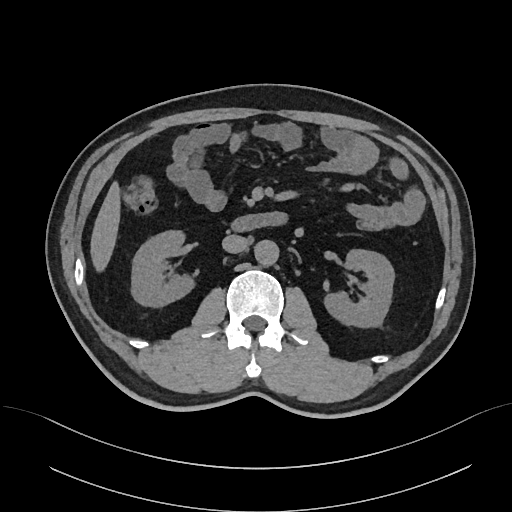

CT, abdomen/pelvis — axial view — soft-tissue window (W 400 / L 40)
{"organs":{"liver":[90,181,120,271],"duodenum":[231,212,287,231],"right kidney":[131,230,194,306],"aorta":[254,240,278,265],"inferior vena cava":[222,234,248,253],"left kidney":[324,249,394,327]}}